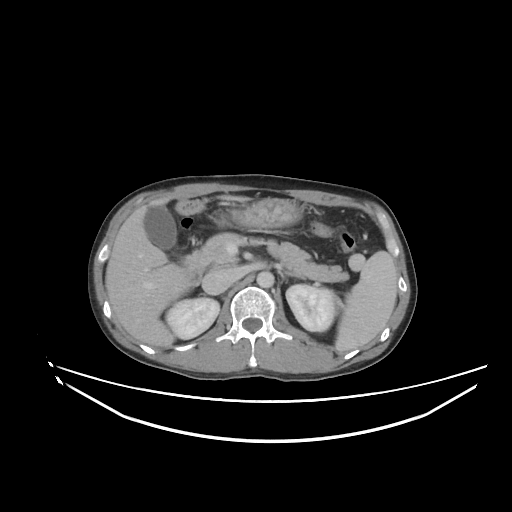
CT abdomen; axial view; abdomen soft-tissue window; 47-year-old male patient
Boxes are (x1, y1, x2, y2) in pixels.
Organ bounding boxes:
- gall bladder: (144, 205, 176, 250)
- inferior vena cava: (202, 268, 239, 294)
- liver: (105, 194, 249, 347)
- pancreas: (193, 232, 348, 282)
- left adrenal gland: (282, 270, 303, 278)
- aorta: (256, 271, 274, 287)
- spleen: (335, 251, 397, 351)
- left kidney: (286, 284, 336, 331)
- right kidney: (165, 298, 219, 339)
- stomach: (230, 198, 302, 229)
- duodenum: (182, 254, 204, 285)